CT, abdomen/pelvis · axial view · 512x512 px
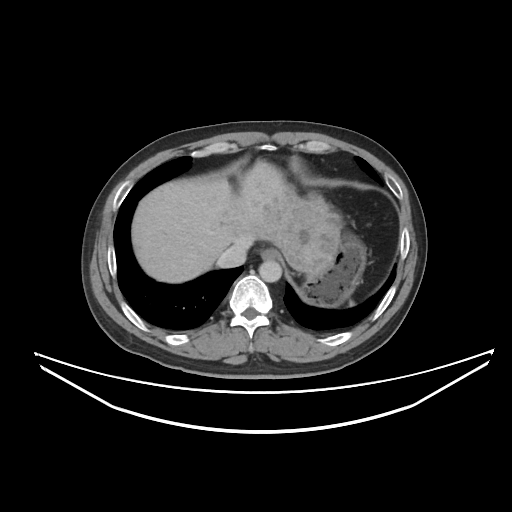 {"organs":{"esophagus":[261,249,277,259],"liver":[131,160,339,282],"stomach":[300,216,366,306],"aorta":[259,260,281,282],"inferior vena cava":[216,244,246,268]}}